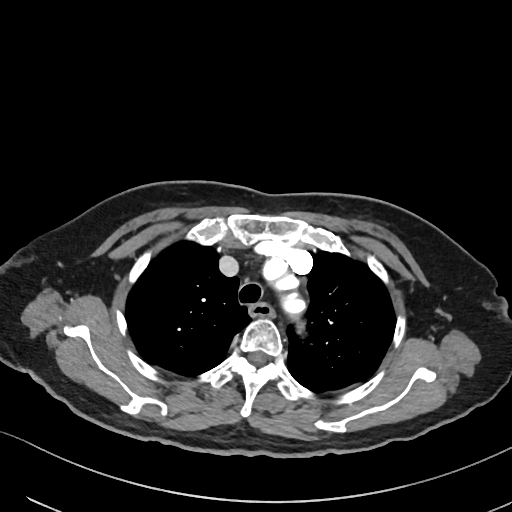
Abdominal CT reaching into the chest; this slice is in the chest. axial view
On a slice this high in the chest, this dataset labels only the esophagus and the aorta, and each is boxed only where it is labeled; the heart, lungs and other chest structures are not labeled.
{"organs":{"esophagus":[249,302,273,316],"aorta":[282,294,303,314]}}